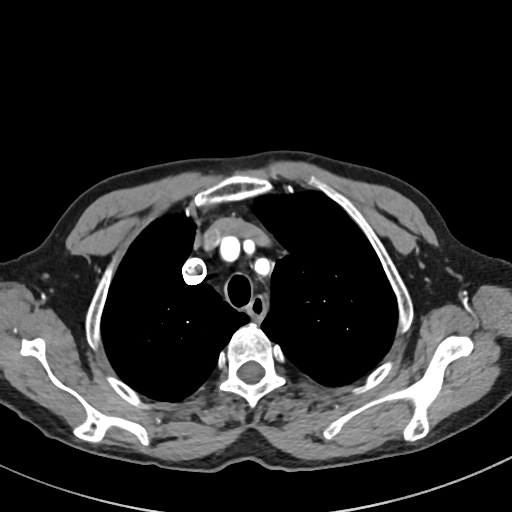 CT of the abdomen extending into the chest, slice through the chest. axial view. soft-tissue window (W 400 / L 40). 512x512 px. SOMATOM Force scanner
At this level of the chest no structure but the esophagus and the aorta has a label in this dataset, and those two are boxed only where they are labeled.
{"organs":{"esophagus":[247,297,266,321]}}